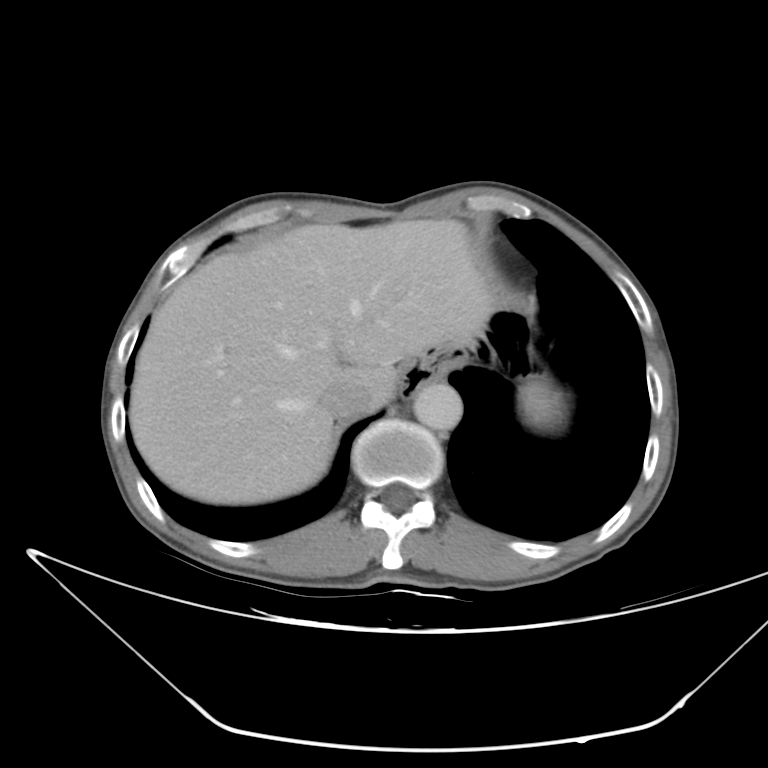
CT abdomen. axial view. W/L 400/40 HU. 768x768 px
Boxes: x1:y1:x2:y2 in pixels. Labeled organs on this slice: spleen at 519:379:559:419, liver at 129:211:491:505, stomach at 396:310:541:399, aorta at 413:382:462:431, inferior vena cava at 320:379:372:414.